Computed tomography, abdomen; axial plane, index 56; 768x768 px; Brilliance16 scanner; scan has 15 labeled organs (counted over the whole 3D scan, not this slice; an organ is boxed only where this slice passes through it)
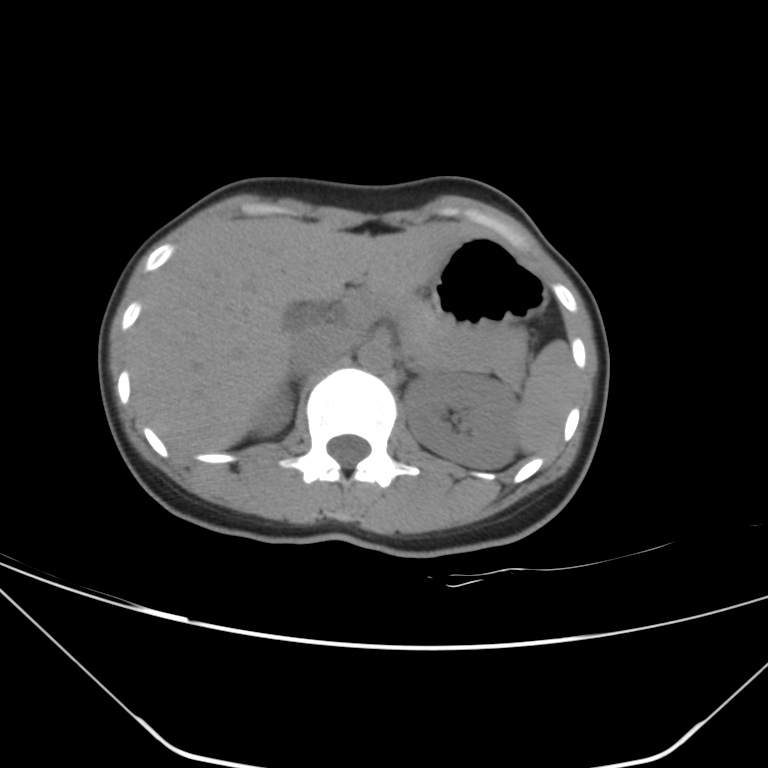

<organs><organ name="spleen" x1="518" y1="340" x2="575" y2="455"/><organ name="right kidney" x1="254" y1="388" x2="292" y2="436"/><organ name="left kidney" x1="402" y1="375" x2="518" y2="468"/><organ name="gall bladder" x1="283" y1="304" x2="315" y2="330"/><organ name="liver" x1="128" y1="217" x2="487" y2="453"/><organ name="stomach" x1="430" y1="236" x2="546" y2="329"/><organ name="aorta" x1="359" y1="342" x2="391" y2="372"/><organ name="inferior vena cava" x1="290" y1="324" x2="355" y2="372"/><organ name="pancreas" x1="356" y1="292" x2="527" y2="386"/><organ name="right adrenal gland" x1="295" y1="376" x2="301" y2="384"/><organ name="left adrenal gland" x1="399" y1="356" x2="428" y2="371"/></organs>